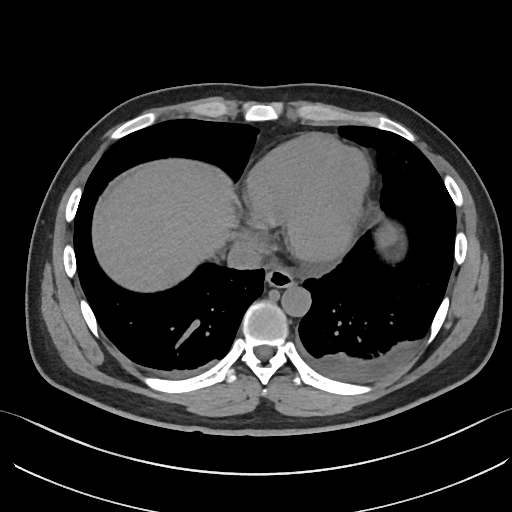
CT abdomen. axial view. soft-tissue window. scan has 15 labeled organs (a whole-scan count: organs this slice does not pass through have no box)
Box edges are left/top/right/bottom in pixels.
Organ bounding boxes:
- inferior vena cava: left=227, top=240, right=262, bottom=268
- esophagus: left=265, top=267, right=294, bottom=287
- aorta: left=281, top=284, right=310, bottom=316
- liver: left=95, top=162, right=234, bottom=291